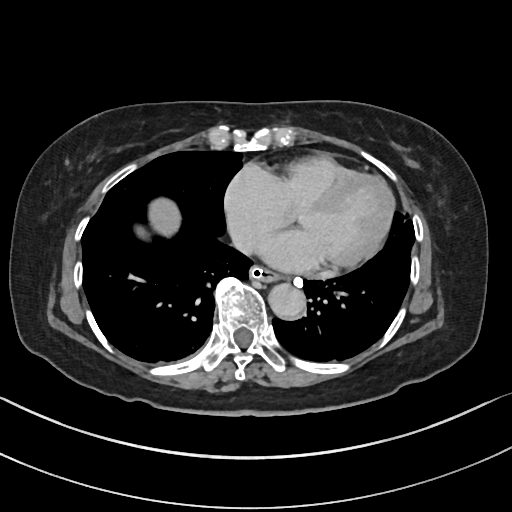

CT abdomen. axial plane, index 203. 512x512 px
{"organs":{"liver":[149,198,180,236],"aorta":[268,283,305,319],"inferior vena cava":[231,231,251,250],"esophagus":[250,266,280,282]}}